Magnetic resonance imaging, abdomen · axial view · 1st–99th percentile window · Prisma scanner
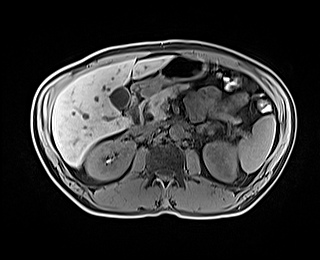 Coordinates as <box>x1,y1,x2,y2</box> in pixels.
spleen: <box>237,115,275,172</box>
right kidney: <box>86,139,134,179</box>
left kidney: <box>203,141,237,181</box>
gall bladder: <box>109,87,130,108</box>
liver: <box>52,56,172,167</box>
stomach: <box>130,55,206,95</box>
aorta: <box>169,125,184,139</box>
inferior vena cava: <box>141,123,159,133</box>
pancreas: <box>148,84,240,122</box>
left adrenal gland: <box>196,124,209,131</box>
duodenum: <box>125,92,147,126</box>